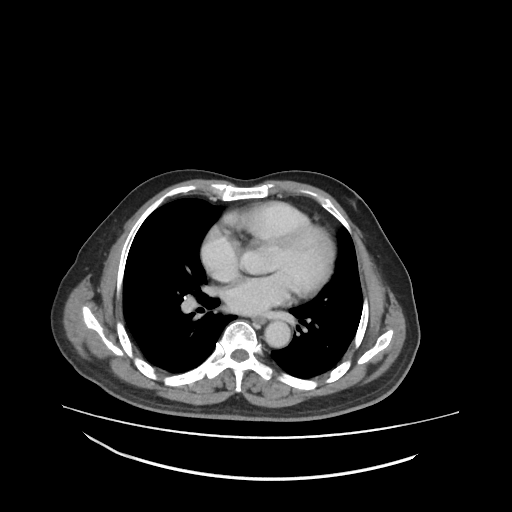
Lower-chest slice from an abdominal CT, just above the liver and spleen · axial view · 512x512 px
Of the structures in the chest, this dataset labels only the esophagus, the aorta and the inferior vena cava; the heart and lungs have no label.
Bounding boxes in pixels, one row per box: x1, y1 is the top-left corner and x2, y2 the bottom-right.
| organ | x1 | y1 | x2 | y2 |
|---|---|---|---|---|
| aorta | 265 | 320 | 290 | 348 |
| esophagus | 251 | 315 | 266 | 324 |